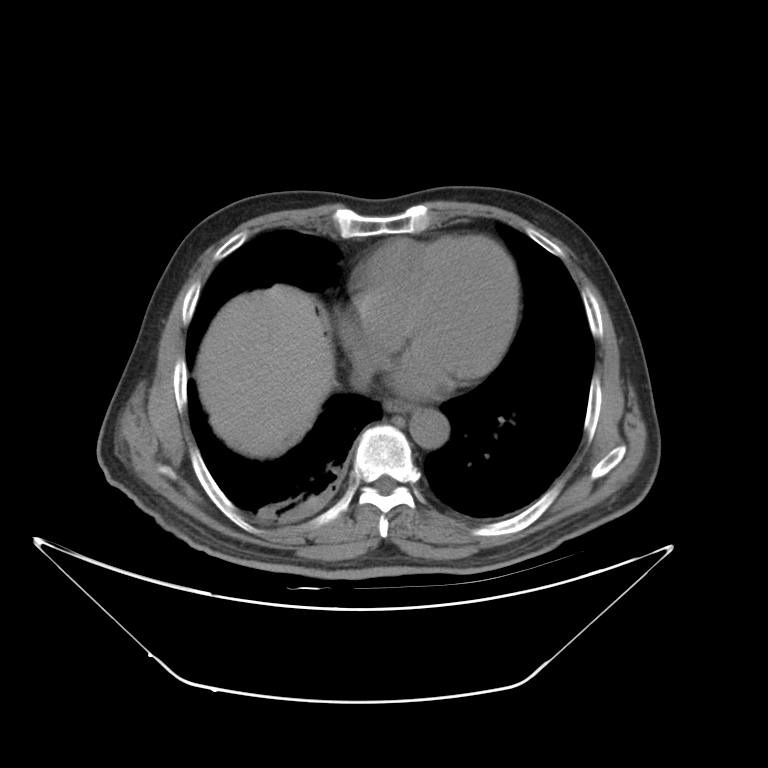 CT abdomen; Axial slice 92/99; 66-year-old male patient
Each box given as x1,y1,x2,y2.
Organ bounding boxes:
- esophagus: x1=380, y1=395, x2=415, y2=412
- liver: x1=193, y1=285, x2=335, y2=459
- aorta: x1=409, y1=409, x2=450, y2=448